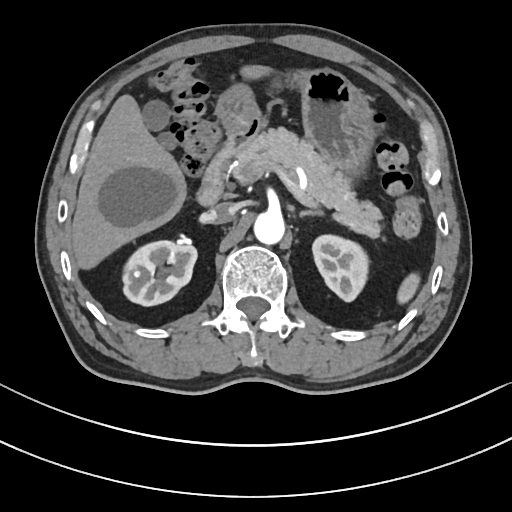

CT abdomen; axial view; soft-tissue window; acquired on SOMATOM Force
Boxes are (x1, y1, x2, y2) in pixels.
Organ bounding boxes:
- spleen: (397, 273, 420, 303)
- right kidney: (123, 240, 197, 306)
- left kidney: (312, 234, 368, 301)
- gall bladder: (142, 101, 177, 148)
- liver: (71, 65, 271, 269)
- stomach: (216, 69, 376, 175)
- aorta: (253, 211, 285, 244)
- inferior vena cava: (203, 203, 235, 223)
- pancreas: (234, 127, 381, 238)
- left adrenal gland: (300, 210, 321, 216)
- duodenum: (197, 115, 261, 205)